Computed tomography, abdomen. axial view. acquired on SOMATOM Force. scan has 15 labeled organs (counted over the whole 3D scan, not this slice; an organ is boxed only where this slice passes through it)
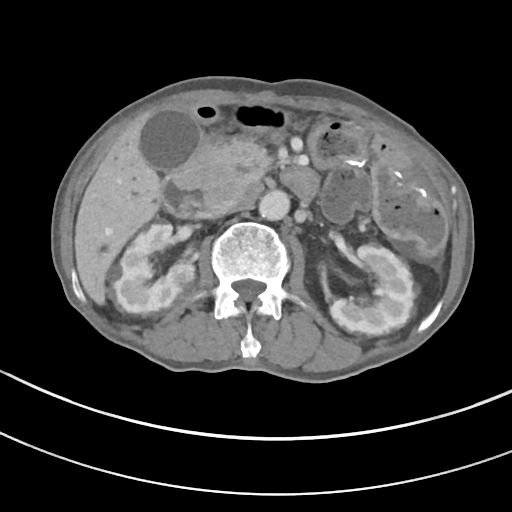
Coordinates as <box>x1,y1,x2,y2</box> in pixels. 8 labeled organs on this slice — right kidney at <box>112,224,195,313</box>; left kidney at <box>330,245,416,334</box>; gall bladder at <box>140,111,202,171</box>; liver at <box>74,106,160,304</box>; aorta at <box>259,190,289,221</box>; inferior vena cava at <box>224,188,256,213</box>; pancreas at <box>191,138,271,192</box>; duodenum at <box>161,134,318,217</box>.